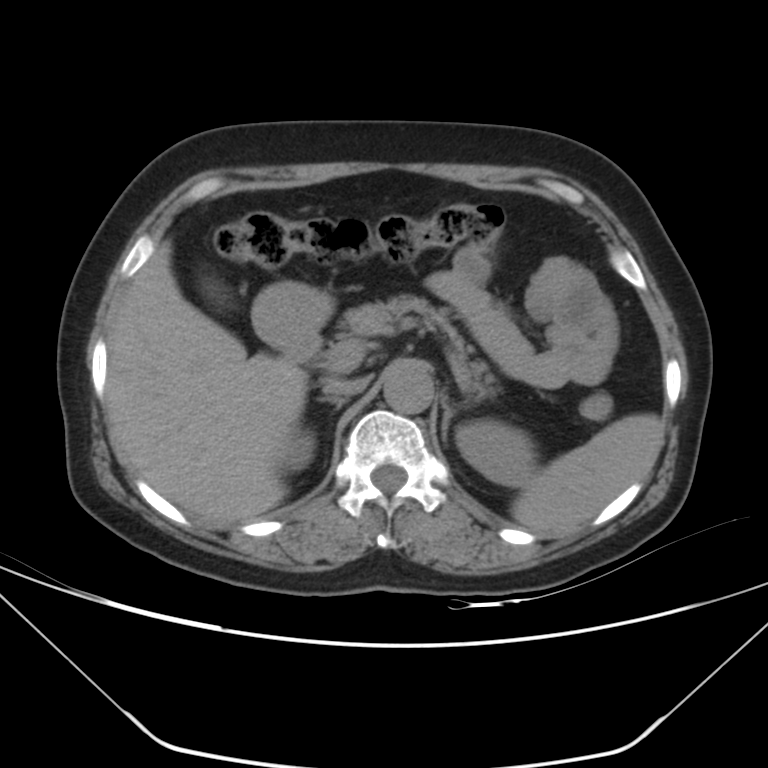
Computed tomography, abdomen; axial plane, index 63; soft-tissue window; 768x768 px; acquired on Brilliance16
Boxes are (x1, y1, x2, y2) in pixels.
Organ bounding boxes:
- spleen: (511, 414, 660, 531)
- right kidney: (280, 435, 310, 464)
- left kidney: (456, 419, 535, 486)
- gall bladder: (197, 271, 231, 307)
- liver: (107, 240, 308, 525)
- stomach: (252, 281, 333, 346)
- aorta: (383, 360, 433, 413)
- inferior vena cava: (322, 378, 367, 397)
- pancreas: (342, 294, 495, 395)
- right adrenal gland: (319, 396, 348, 412)
- left adrenal gland: (441, 395, 454, 441)
- duodenum: (281, 331, 321, 364)